Computed tomography, abdomen · axial plane, index 202 · soft-tissue window (W 400 / L 40) · acquired on SOMATOM Force
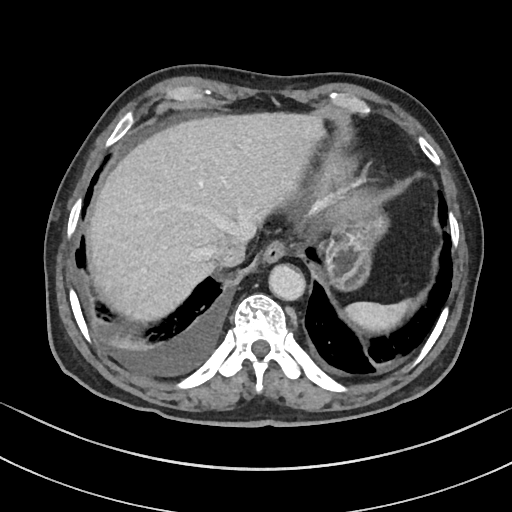 Boxes: x1 y1 x2 y2 (pixel coords, space-separated). 6 labeled organs on this slice — spleen at 344 300 409 332; esophagus at 260 240 287 263; liver at 90 112 324 321; stomach at 324 212 388 291; aorta at 268 264 305 300; inferior vena cava at 208 233 250 266.